Computed tomography, abdomen; axial plane, index 83; 768x768 px
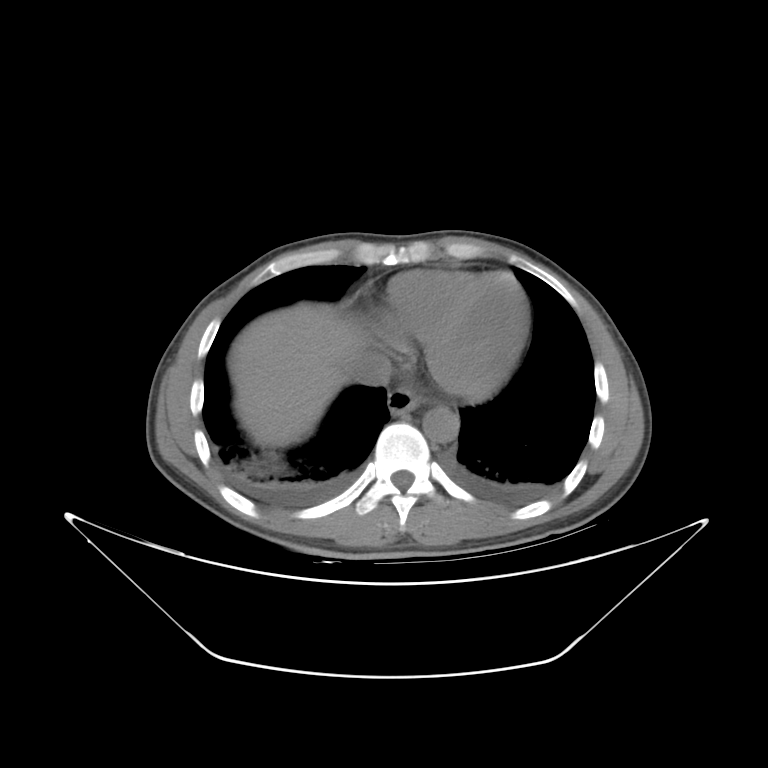 {"organs":{"aorta":[422,406,459,442],"liver":[229,302,365,448],"inferior vena cava":[347,352,392,386],"esophagus":[387,386,426,414]}}